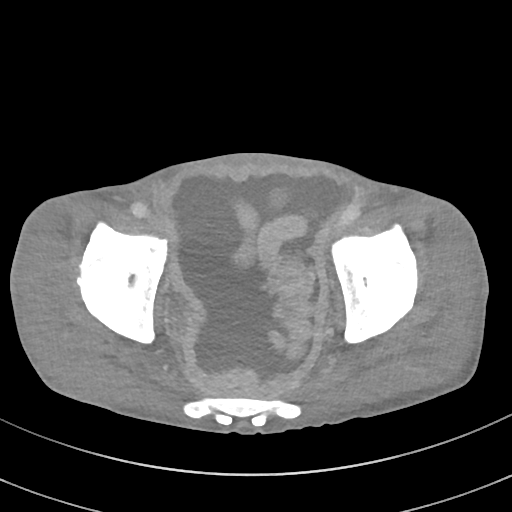 CT abdomen — axial plane, index 18 — abdomen soft-tissue window — 512x512 px
<organs><organ name="bladder" x1="164" y1="293" x2="187" y2="329"/></organs>